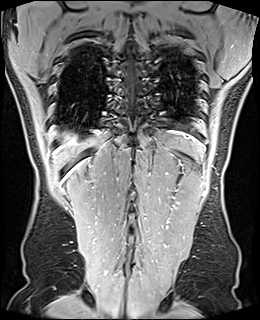

Abdominal MR. coronal plane, index 22. 1st–99th percentile window
Boxes: x1 y1 x2 y2 (pixel coords, space-separated).
Organ bounding boxes:
- liver: 65 135 74 144